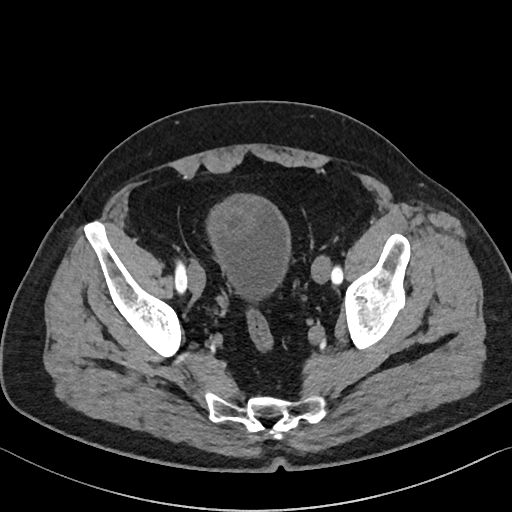 CT, abdomen/pelvis; axial view
Bounding boxes as [x1, y1, x2, y2] in pixel coordinates.
Organ bounding boxes:
- bladder: [208, 196, 289, 295]